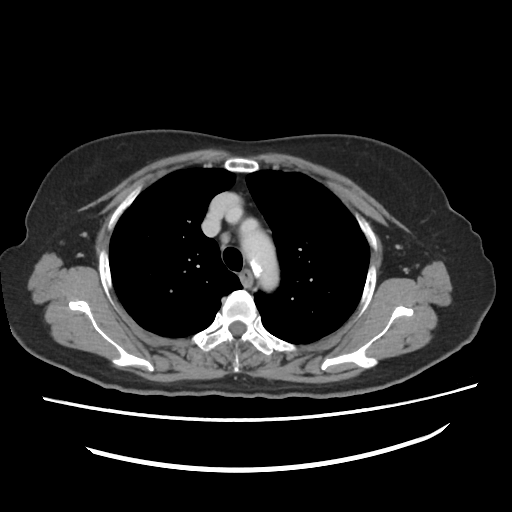
CT of the abdomen extending into the chest, slice through the chest · axial view · 512x512 px
At this level of the chest no structure but the esophagus and the aorta has a label in this dataset, and those two are boxed only where they are labeled.
One row per box, in pixels: columns x1 and y1 give the top-left corner, x2 and y2 the bottom-right.
| organ | x1 | y1 | x2 | y2 |
|---|---|---|---|---|
| esophagus | 239 | 272 | 252 | 287 |
| aorta | 242 | 227 | 279 | 288 |